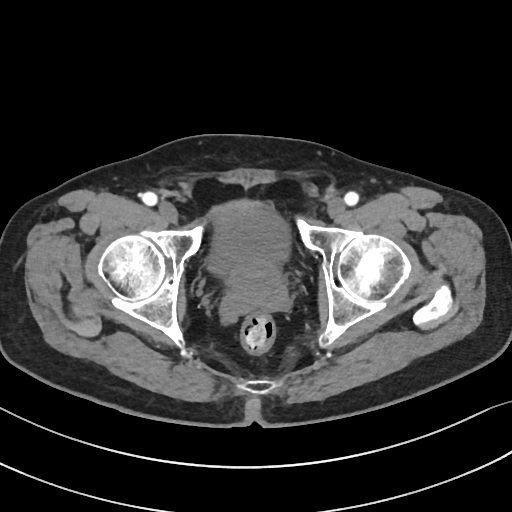
Abdominal CT — axial view
{"organs":{"bladder":[208,207,286,272],"prostate/uterus":[227,257,283,296]}}